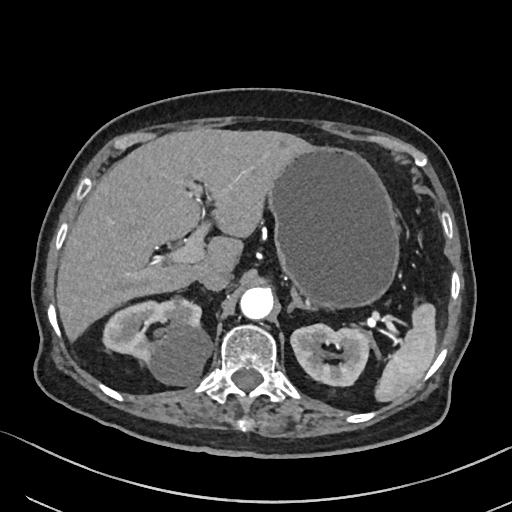 Computed tomography, abdomen. axial view. 512x512 px
One row per box, in pixels: columns x1 and y1 give the top-left corner, x2 and y2 the bottom-right.
| organ | x1 | y1 | x2 | y2 |
|---|---|---|---|---|
| left adrenal gland | 287 | 291 | 313 | 312 |
| spleen | 373 | 304 | 436 | 402 |
| inferior vena cava | 200 | 270 | 232 | 290 |
| aorta | 240 | 287 | 272 | 319 |
| right kidney | 104 | 298 | 211 | 385 |
| left kidney | 291 | 324 | 371 | 386 |
| stomach | 265 | 147 | 400 | 307 |
| liver | 56 | 128 | 312 | 342 |